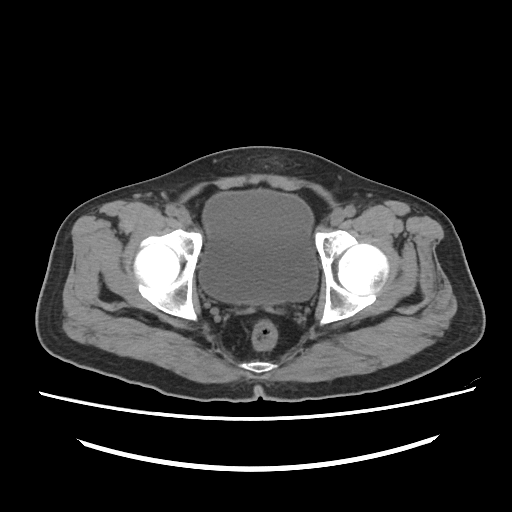 CT abdomen · axial view · soft-tissue window
{"organs":{"bladder":[199,189,317,303]}}